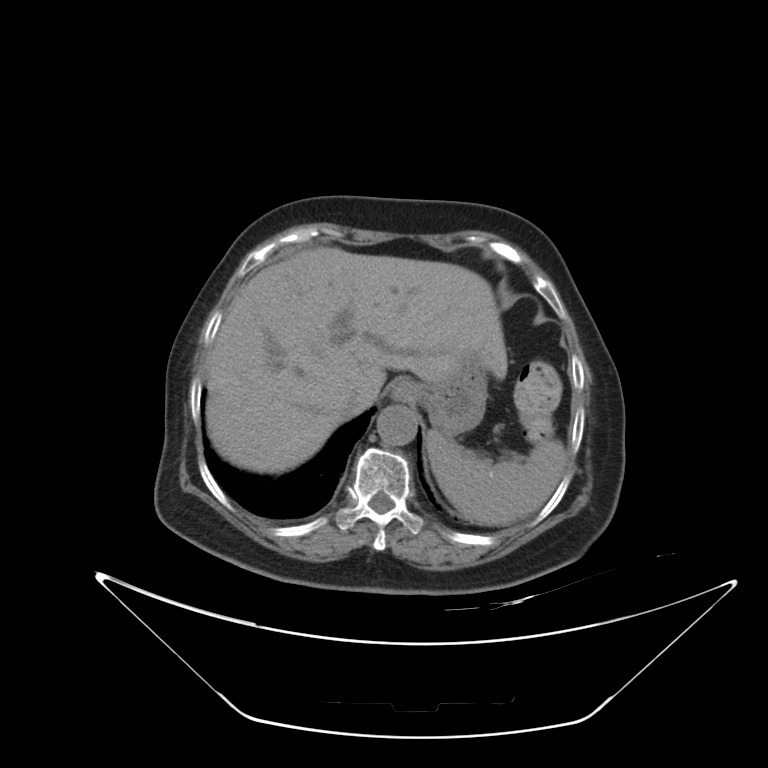
Computed tomography, abdomen — Axial slice 75/89 — 78-year-old female patient
Organ boxes in pixel coordinates; each row gives the top-left (x1, y1) and bottom-right (x2, y2) corners.
| organ | x1 | y1 | x2 | y2 |
|---|---|---|---|---|
| inferior vena cava | 339 | 390 | 370 | 418 |
| liver | 205 | 247 | 507 | 473 |
| spleen | 426 | 431 | 566 | 525 |
| aorta | 377 | 406 | 417 | 446 |
| stomach | 408 | 354 | 487 | 438 |
| esophagus | 391 | 379 | 415 | 400 |